CT abdomen · axial view · soft-tissue window (W 400 / L 40) · 47-year-old male patient · 15 organs annotated in this scan (counted over the whole 3D scan, not this slice; an organ is boxed only where this slice passes through it)
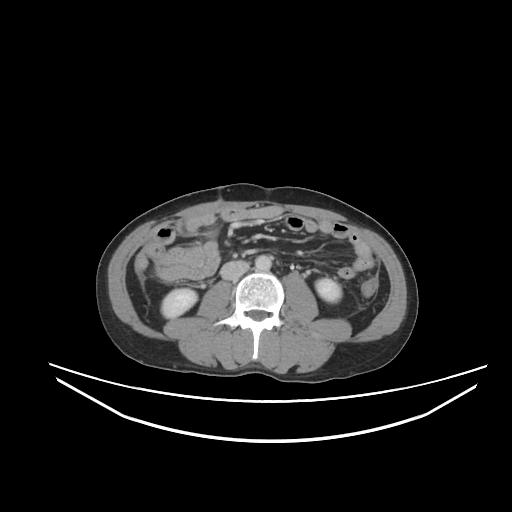

Bounding boxes in pixels, one row per box: x1, y1 is the top-left corner and x2, y2 the bottom-right.
| organ | x1 | y1 | x2 | y2 |
|---|---|---|---|---|
| right kidney | 161 | 288 | 197 | 318 |
| left kidney | 315 | 278 | 341 | 302 |
| aorta | 255 | 254 | 271 | 270 |
| inferior vena cava | 220 | 260 | 249 | 280 |